CT abdomen; Axial slice 184/207; 512x512 px; acquired on SOMATOM Force
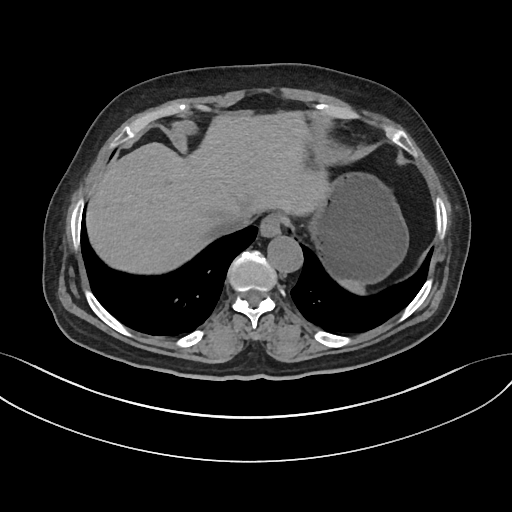

One row per box, in pixels: columns x1 and y1 give the top-left corner, x2 and y2 the bottom-right.
| organ | x1 | y1 | x2 | y2 |
|---|---|---|---|---|
| spleen | 341 | 281 | 364 | 294 |
| esophagus | 260 | 214 | 282 | 236 |
| liver | 86 | 112 | 328 | 274 |
| stomach | 307 | 172 | 408 | 283 |
| aorta | 267 | 236 | 302 | 272 |
| inferior vena cava | 217 | 209 | 251 | 233 |